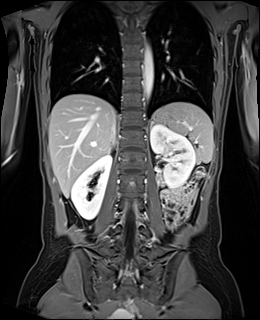
Magnetic resonance imaging, abdomen; coronal plane, index 62; percentile-normalized; Prisma scanner; scan has 13 labeled organs (that count is for the whole scan; organs this slice misses have no box)
Boxes are (x1, y1, x2, y2) in pixels.
inferior vena cava: (112, 117, 115, 140)
left kidney: (150, 124, 195, 188)
liver: (49, 94, 115, 197)
right kidney: (71, 154, 112, 219)
aorta: (144, 45, 153, 100)
stomach: (152, 111, 172, 124)
spleen: (158, 102, 213, 162)
right adrenal gland: (108, 143, 114, 153)